Abdominal CT · axial plane, index 31 · 512x512 px
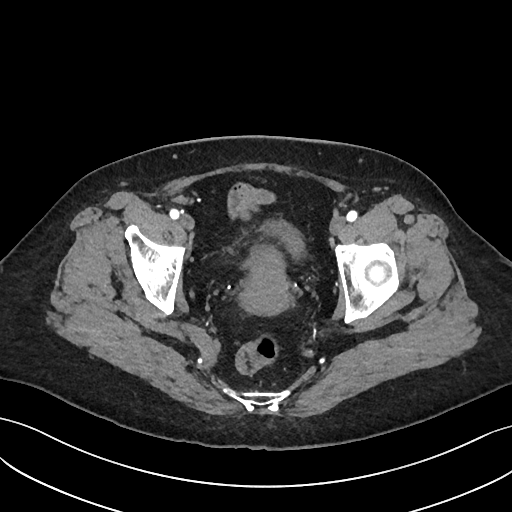
<organs><organ name="bladder" x1="264" y1="220" x2="304" y2="256"/><organ name="prostate/uterus" x1="239" y1="246" x2="291" y2="315"/></organs>